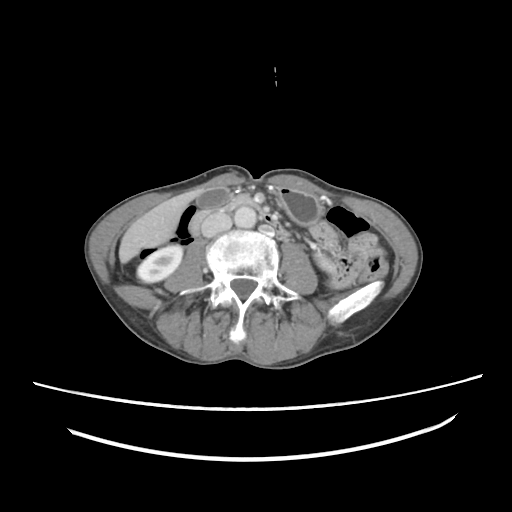

Abdominal CT — axial view — 59-year-old male patient
<organs><organ name="right kidney" x1="137" y1="245" x2="182" y2="282"/><organ name="left kidney" x1="317" y1="254" x2="332" y2="270"/><organ name="gall bladder" x1="198" y1="188" x2="227" y2="207"/><organ name="liver" x1="119" y1="190" x2="201" y2="263"/><organ name="stomach" x1="278" y1="187" x2="322" y2="224"/><organ name="aorta" x1="234" y1="206" x2="256" y2="228"/><organ name="inferior vena cava" x1="201" y1="212" x2="231" y2="237"/><organ name="pancreas" x1="221" y1="195" x2="251" y2="212"/><organ name="duodenum" x1="188" y1="200" x2="290" y2="240"/></organs>